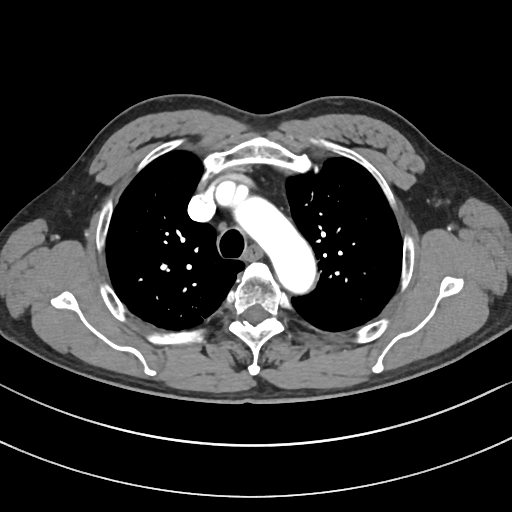

Abdominal CT reaching into the chest; this slice is in the chest. axial view. 512x512 px. scan has 15 labeled organs (that count is for the whole scan; organs this slice misses have no box)
At this level of the chest no structure but the esophagus and the aorta has a label in this dataset, and those two are boxed only where they are labeled.
Coordinates as <box>x1,y1,x2,y2</box> in pixels.
esophagus: <box>247,246,260,258</box>
aorta: <box>239,200,314,290</box>